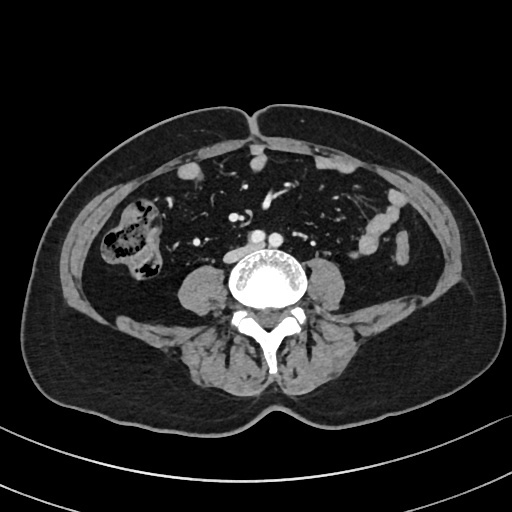

CT abdomen. axial view. 512x512 px
Bounding boxes in pixels, one row per box: x1, y1 is the top-left corner and x2, y2 the bottom-right.
| organ | x1 | y1 | x2 | y2 |
|---|---|---|---|---|
| inferior vena cava | 224 | 247 | 250 | 262 |